Abdominal MR — coronal view — percentile-normalized — 260x320 px — Prisma scanner
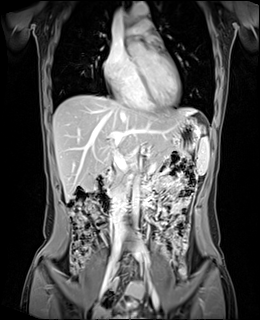 Boxes: x1:y1:x2:y2 in pixels.
spleen: 196:136:209:174
pancreas: 109:144:187:190
liver: 53:95:197:201
inferior vena cava: 112:185:127:233
stomach: 174:116:203:151
duodenum: 95:169:112:213
gall bladder: 81:176:94:191
aorta: 131:183:139:229
aorta: 126:3:149:18